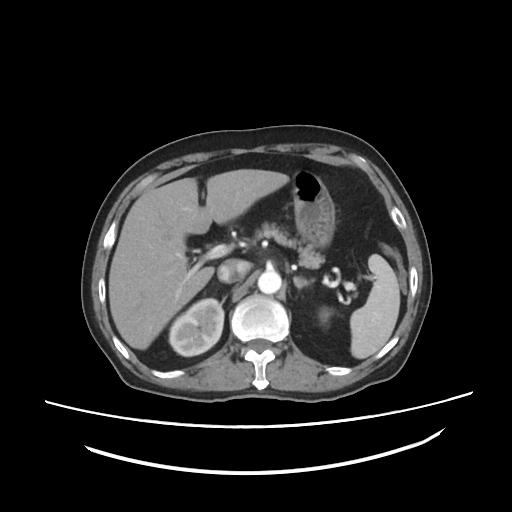

CT abdomen — Axial slice 70/135 — soft-tissue window (W 400 / L 40) — 512x512 px
Bounding boxes in pixels, one row per box: x1, y1 is the top-left corner and x2, y2 the bottom-right.
| organ | x1 | y1 | x2 | y2 |
|---|---|---|---|---|
| inferior vena cava | 217 | 259 | 249 | 282 |
| pancreas | 255 | 222 | 324 | 268 |
| aorta | 258 | 270 | 281 | 294 |
| liver | 108 | 169 | 289 | 349 |
| left adrenal gland | 293 | 276 | 314 | 288 |
| right kidney | 169 | 298 | 224 | 356 |
| left kidney | 318 | 307 | 331 | 323 |
| stomach | 292 | 170 | 335 | 247 |
| spleen | 350 | 254 | 400 | 358 |